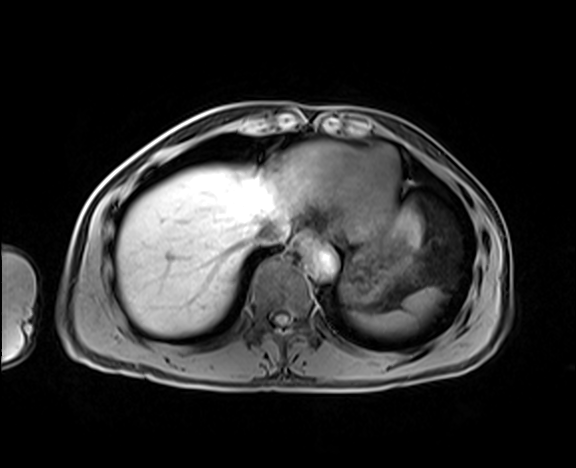 Abdominal MRI · Axial slice 55/72 · acquired on Prisma
Bounding boxes as [x1, y1, x2, y2] in pixel coordinates.
spleen: [353, 288, 438, 333]
esophagus: [291, 232, 316, 251]
liver: [117, 166, 423, 335]
stomach: [341, 224, 413, 304]
aorta: [305, 247, 335, 275]
inferior vena cava: [252, 219, 285, 244]